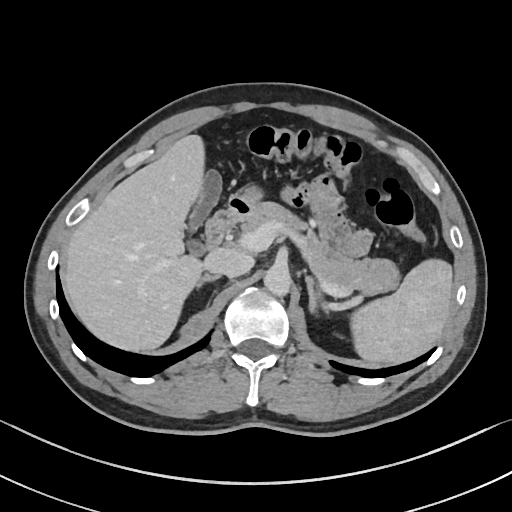

CT abdomen · axial view · 512x512 px · scan has 15 labeled organs (that count is for the whole scan; organs this slice misses have no box)
<organs><organ name="spleen" x1="350" y1="259" x2="452" y2="363"/><organ name="gall bladder" x1="188" y1="170" x2="221" y2="253"/><organ name="liver" x1="64" y1="135" x2="203" y2="350"/><organ name="stomach" x1="229" y1="188" x2="260" y2="209"/><organ name="aorta" x1="264" y1="265" x2="291" y2="297"/><organ name="inferior vena cava" x1="207" y1="252" x2="251" y2="279"/><organ name="pancreas" x1="243" y1="201" x2="401" y2="293"/><organ name="right adrenal gland" x1="195" y1="276" x2="219" y2="291"/><organ name="left adrenal gland" x1="305" y1="276" x2="317" y2="315"/><organ name="duodenum" x1="206" y1="197" x2="248" y2="247"/></organs>